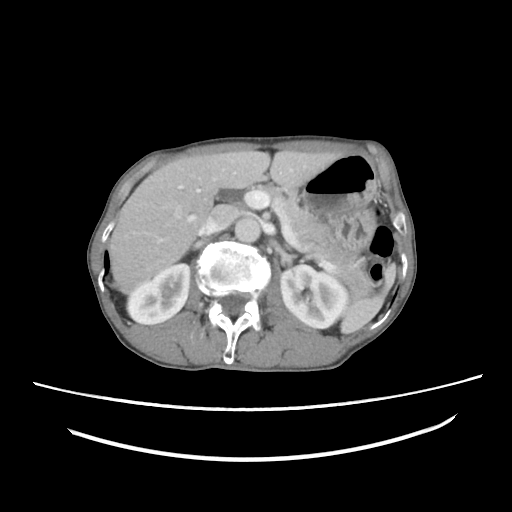 CT, abdomen/pelvis. axial plane, index 58. soft-tissue window (W 400 / L 40). 512x512 px. 59-year-old male patient
Organ boxes in pixel coordinates; each row gives the top-left (x1, y1) and bottom-right (x2, y2) corners.
| organ | x1 | y1 | x2 | y2 |
|---|---|---|---|---|
| left kidney | 280 | 265 | 349 | 328 |
| stomach | 300 | 154 | 377 | 254 |
| spleen | 340 | 264 | 395 | 333 |
| right adrenal gland | 193 | 241 | 202 | 248 |
| liver | 109 | 150 | 339 | 293 |
| right kidney | 127 | 263 | 190 | 324 |
| inferior vena cava | 199 | 204 | 238 | 234 |
| left adrenal gland | 284 | 243 | 291 | 250 |
| aorta | 235 | 217 | 260 | 242 |
| pancreas | 264 | 185 | 370 | 297 |